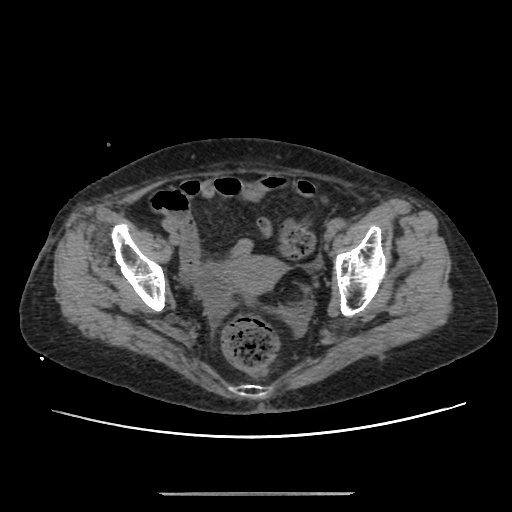

CT abdomen — Axial slice 80/353 — abdomen soft-tissue window — SOMATOM Force scanner
<organs><organ name="prostate/uterus" x1="228" y1="255" x2="283" y2="293"/></organs>